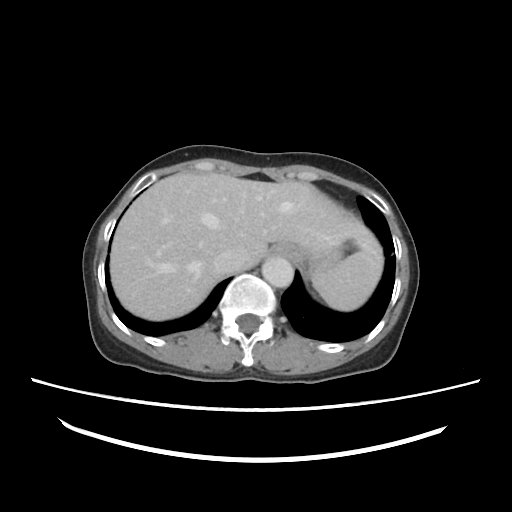 CT abdomen — axial view — 512x512 px — 54-year-old female patient
Organ boxes in pixel coordinates; each row gives the top-left (x1, y1) and bottom-right (x2, y2) corners.
| organ | x1 | y1 | x2 | y2 |
|---|---|---|---|---|
| aorta | 262 | 257 | 294 | 287 |
| inferior vena cava | 211 | 253 | 246 | 274 |
| spleen | 310 | 254 | 366 | 310 |
| liver | 111 | 173 | 382 | 320 |
| stomach | 269 | 246 | 344 | 271 |